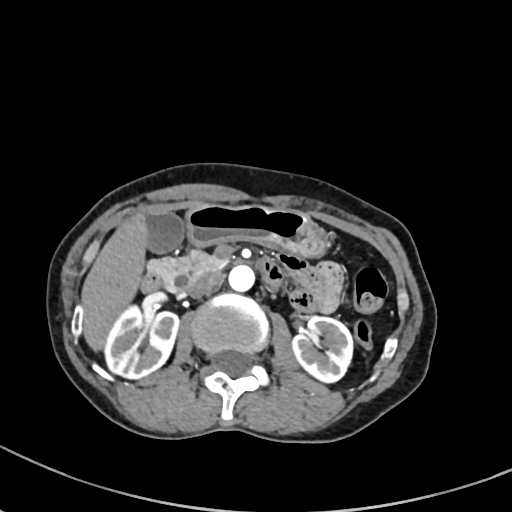 Computed tomography, abdomen · axial view · soft-tissue window · 512x512 px
Organ boxes in pixel coordinates; each row gives the top-left (x1, y1) and bottom-right (x2, y2) corners.
| organ | x1 | y1 | x2 | y2 |
|---|---|---|---|---|
| right kidney | 104 | 305 | 178 | 378 |
| left kidney | 292 | 316 | 352 | 382 |
| gall bladder | 146 | 212 | 185 | 253 |
| liver | 81 | 213 | 147 | 350 |
| stomach | 184 | 203 | 329 | 256 |
| aorta | 228 | 265 | 254 | 291 |
| inferior vena cava | 188 | 272 | 224 | 297 |
| pancreas | 150 | 250 | 226 | 292 |
| duodenum | 140 | 258 | 284 | 291 |